CT abdomen — axial plane, index 73 — scan has 15 labeled organs (a whole-scan count: organs this slice does not pass through have no box)
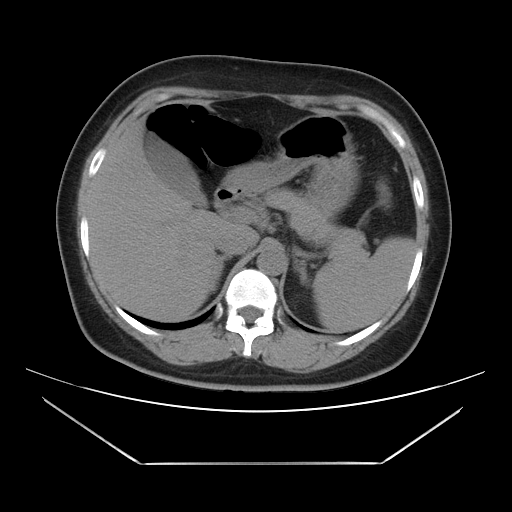 Bounding boxes as [x1, y1, x2, y2] in pixel coordinates. 10 labeled organs on this slice — spleen at [313, 237, 415, 332]; gall bladder at [144, 133, 207, 206]; liver at [89, 117, 259, 321]; stomach at [222, 114, 358, 222]; aorta at [257, 245, 286, 275]; inferior vena cava at [215, 231, 250, 255]; pancreas at [258, 188, 367, 261]; right adrenal gland at [218, 255, 231, 276]; left adrenal gland at [298, 262, 306, 282]; duodenum at [215, 185, 243, 209].